CT abdomen · axial view · 14 organs annotated in this scan (a whole-scan count: organs this slice does not pass through have no box)
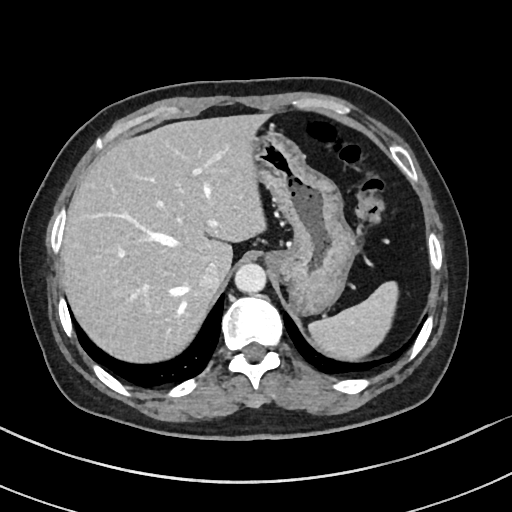
Each box given as x1,y1,x2,y2.
Organ bounding boxes:
- spleen: x1=309, y1=281, x2=398, y2=360
- liver: x1=61, y1=113, x2=268, y2=362
- stomach: x1=254, y1=131, x2=357, y2=313
- aorta: x1=235, y1=263, x2=266, y2=293
- inferior vena cava: x1=199, y1=262, x2=224, y2=290